Abdominal MRI — axial plane, index 64 — Prisma scanner
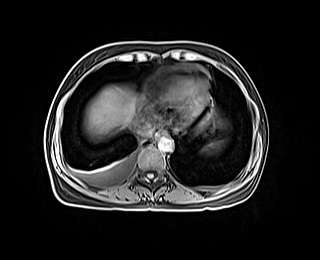
Bounding boxes as [x1, y1, x2, y2] in pixel coordinates.
Organ bounding boxes:
- aorta: [158, 136, 173, 152]
- inferior vena cava: [133, 118, 153, 136]
- spleen: [205, 140, 225, 152]
- liver: [84, 86, 142, 138]
- esophagus: [155, 130, 167, 137]